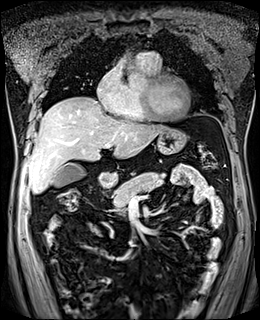
MRI, abdomen; coronal acquisition; 260x320 px
Boxes: x1 y1 x2 y2 (pixel coords, space-separated). Labeled organs on this slice: stomach at 97 128 187 185, pancreas at 113 172 164 211, liver at 28 96 166 193, gall bladder at 53 163 85 187, duodenum at 104 186 111 187.